Abdominal CT. axial view. 512x512 px. acquired on SOMATOM Force
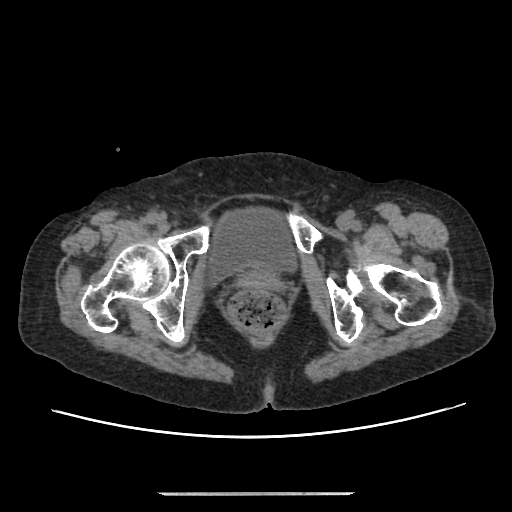

Box edges are left/top/right/bottom in pixels.
Organ bounding boxes:
- bladder: left=208, top=208, right=296, bottom=283
- prostate/uterus: left=245, top=269, right=273, bottom=286